CT, abdomen/pelvis. axial view
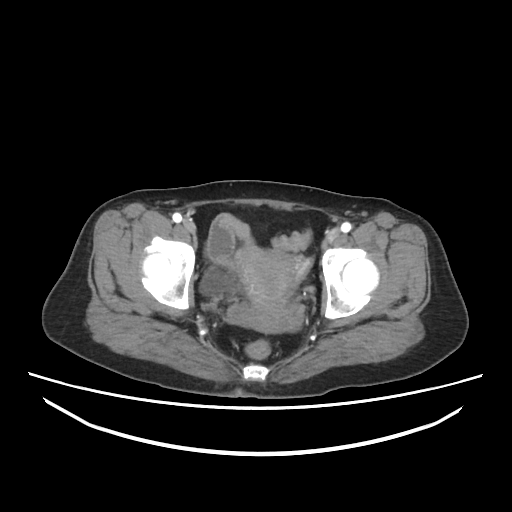
Bounding boxes as [x1, y1, x2, y2] in pixel coordinates. 2 labeled organs on this slice — bladder at [200, 268, 231, 296]; prostate/uterus at [238, 246, 296, 314].